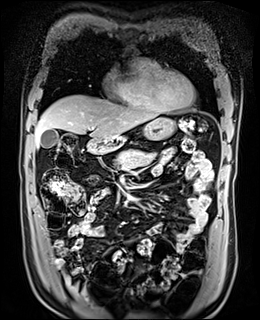
Abdominal MR; Coronal slice 99/144
{"organs":{"stomach":[109,118,176,142],"gall bladder":[40,129,59,148],"duodenum":[85,138,124,154],"pancreas":[114,149,156,169],"liver":[34,94,158,146]}}